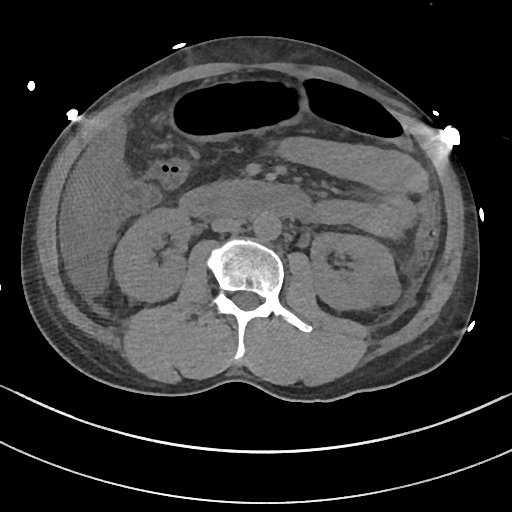 CT abdomen · axial plane, index 146 · W/L 400/40 HU · 15 organs annotated in this scan (a whole-scan count: organs this slice does not pass through have no box)
Each box given as x1,y1,x2,y2.
Organ bounding boxes:
- liver: x1=71, y1=118, x2=125, y2=222
- duodenum: x1=181, y1=179, x2=305, y2=217
- inferior vena cava: x1=211, y1=216, x2=240, y2=231
- stomach: x1=164, y1=83, x2=297, y2=139
- aorta: x1=253, y1=212, x2=280, y2=239
- right kidney: x1=114, y1=208, x2=190, y2=300
- left kidney: x1=309, y1=232, x2=399, y2=309